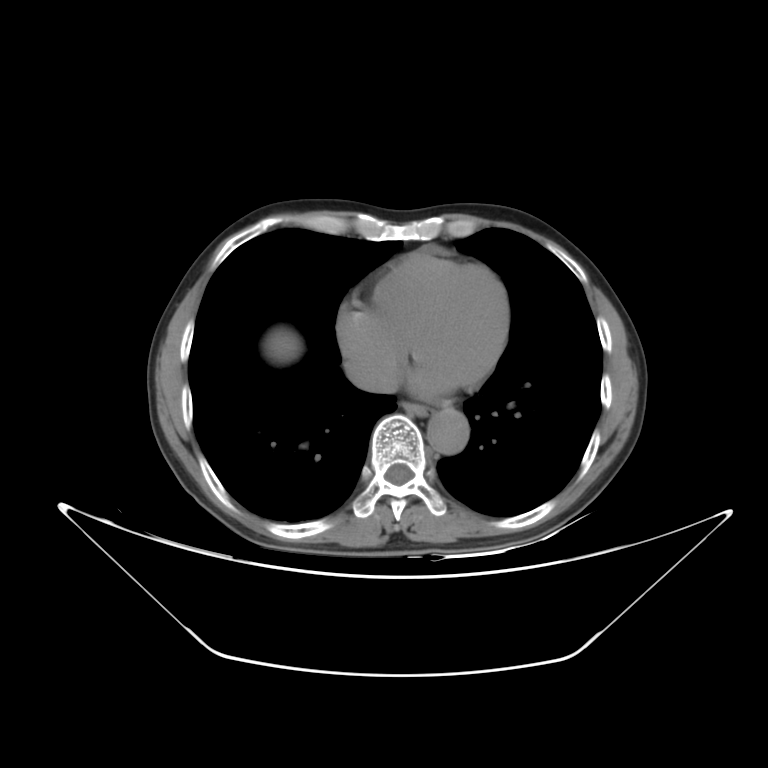 CT abdomen; axial view; soft-tissue window (W 400 / L 40); 768x768 px
Bounding boxes in pixels, one row per box: x1, y1 is the top-left corner and x2, y2 the bottom-right.
| organ | x1 | y1 | x2 | y2 |
|---|---|---|---|---|
| esophagus | 401 | 402 | 431 | 416 |
| liver | 265 | 330 | 300 | 360 |
| aorta | 427 | 410 | 469 | 454 |
| inferior vena cava | 346 | 359 | 398 | 393 |